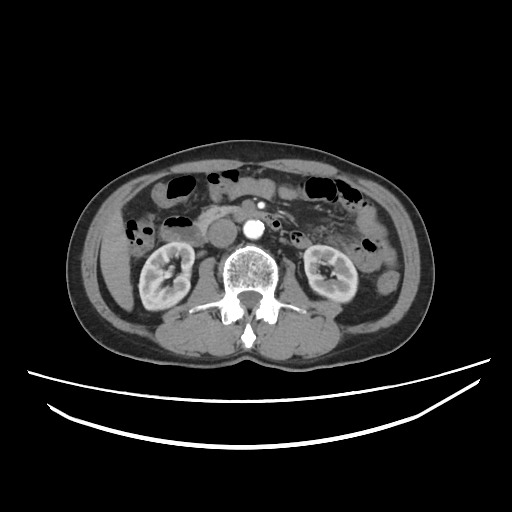
CT abdomen; axial view; soft-tissue window (W 400 / L 40)
<organs><organ name="right kidney" x1="138" y1="242" x2="194" y2="310"/><organ name="left kidney" x1="303" y1="245" x2="357" y2="302"/><organ name="liver" x1="100" y1="210" x2="133" y2="311"/><organ name="aorta" x1="243" y1="220" x2="264" y2="239"/><organ name="inferior vena cava" x1="208" y1="219" x2="237" y2="247"/><organ name="pancreas" x1="197" y1="206" x2="238" y2="228"/><organ name="duodenum" x1="160" y1="209" x2="281" y2="245"/></organs>